Computed tomography, abdomen — axial plane, index 208 — acquired on SOMATOM Force
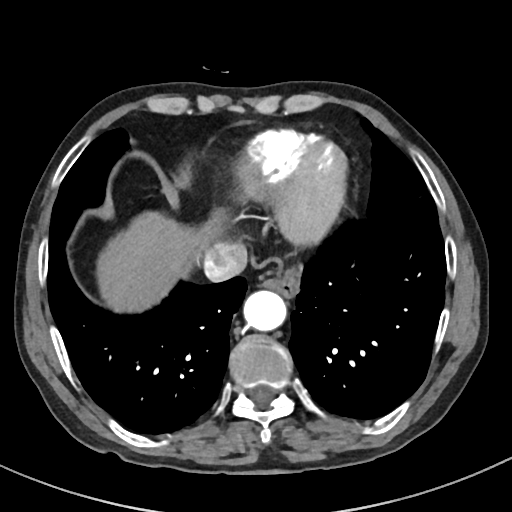
Boxes: x1 y1 x2 y2 (pixel coords, space-separated).
Organ bounding boxes:
- liver: 98 210 222 310
- esophagus: 258 260 300 297
- aorta: 244 290 287 331
- inferior vena cava: 202 240 247 281